Lower-chest slice from an abdominal CT, just above the liver and spleen. axial plane, index 86. W/L 400/40 HU. 58-year-old male patient
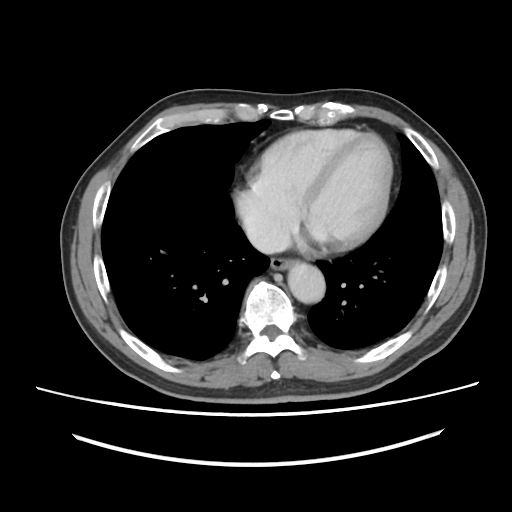

Of the structures in the chest, this dataset labels only the esophagus, the aorta and the inferior vena cava; the heart and lungs have no label.
{"organs":{"aorta":[288,262,325,303],"inferior vena cava":[246,224,288,253],"esophagus":[270,258,295,270]}}